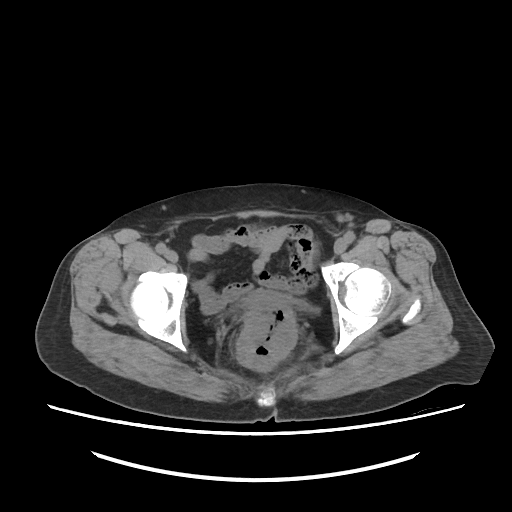
Abdominal CT; axial plane, index 15; W/L 400/40 HU; 512x512 px; Aquilion ONE scanner
<organs><organ name="bladder" x1="242" y1="291" x2="321" y2="313"/></organs>